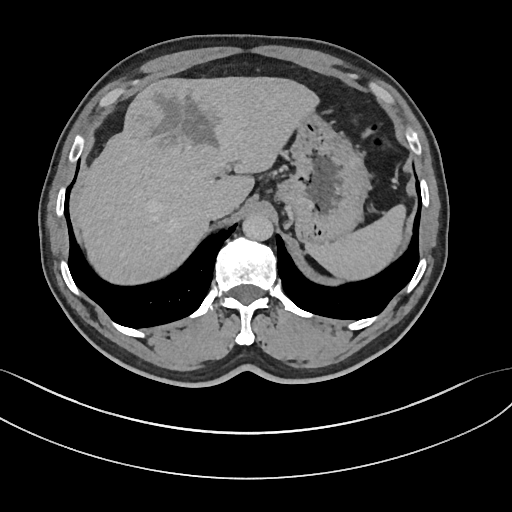

CT, abdomen/pelvis · axial view · 512x512 px
Coordinates as <box>x1,y1,x2,y2</box> in pixels. 5 labeled organs on this slice — spleen at <box>306,205,406,281</box>; liver at <box>73,77,319,281</box>; stomach at <box>274,116,369,243</box>; aorta at <box>242,214,273,240</box>; inferior vena cava at <box>202,195,230,219</box>.